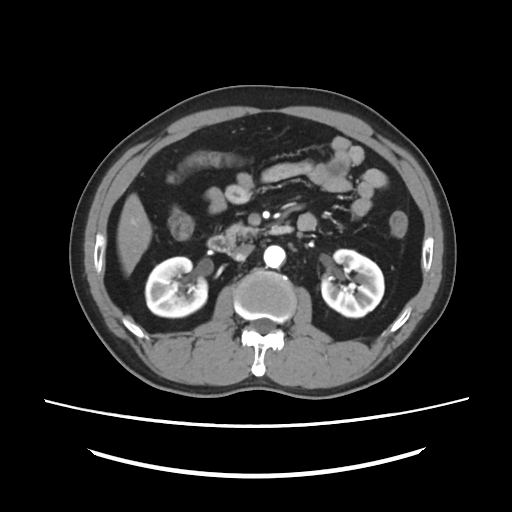 Computed tomography, abdomen. axial view. soft-tissue window. 512x512 px
Box edges are left/top/right/bottom in pixels.
Organ bounding boxes:
- aorta: left=263, top=245, right=285, bottom=268
- duodenum: left=207, top=226, right=291, bottom=252
- pancreas: left=226, top=223, right=259, bottom=239
- liver: left=117, top=193, right=152, bottom=275
- right kidney: left=145, top=256, right=207, bottom=317
- left kidney: left=321, top=249, right=384, bottom=317
- inferior vena cava: left=232, top=244, right=254, bottom=260